CT abdomen · axial view · 768x768 px · 62-year-old male patient · scan has 13 labeled organs (counted over the whole 3D scan, not this slice; an organ is boxed only where this slice passes through it)
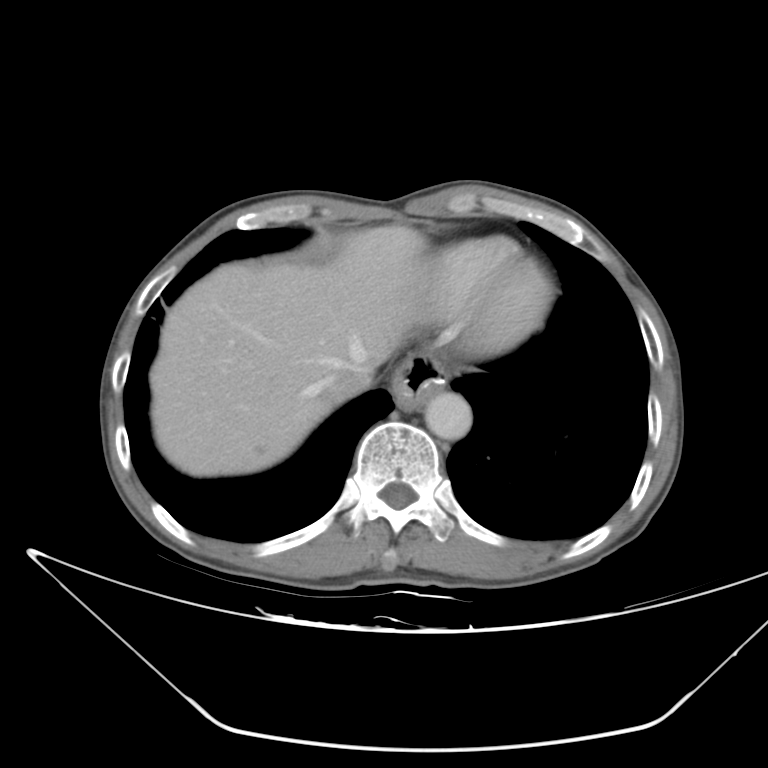

Organ boxes in pixel coordinates; each row gives the top-left (x1, y1) and bottom-right (x2, y2) corners.
| organ | x1 | y1 | x2 | y2 |
|---|---|---|---|---|
| liver | 153 | 225 | 429 | 476 |
| stomach | 392 | 349 | 445 | 414 |
| aorta | 424 | 391 | 471 | 440 |
| inferior vena cava | 321 | 370 | 373 | 403 |